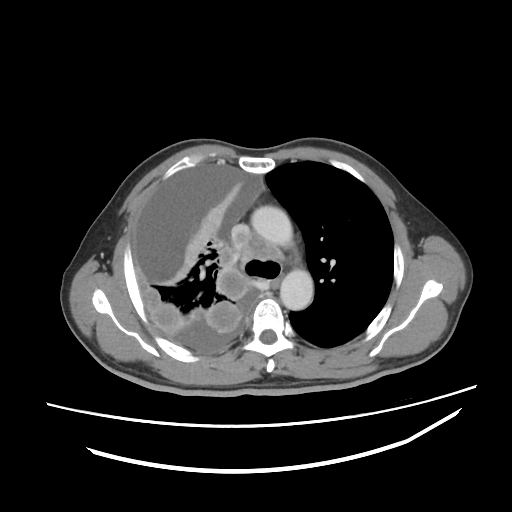

CT of the abdomen extending into the chest, slice through the chest — axial view — soft-tissue window (W 400 / L 40)
On a slice this high in the chest, this dataset labels only the esophagus and the aorta, and each is boxed only where it is labeled; the heart, lungs and other chest structures are not labeled.
Organ boxes in pixel coordinates; each row gives the top-left (x1, y1) and bottom-right (x2, y2) corners.
| organ | x1 | y1 | x2 | y2 |
|---|---|---|---|---|
| esophagus | 270 | 273 | 282 | 290 |
| aorta | 251 | 205 | 292 | 246 |
| aorta | 280 | 269 | 313 | 310 |